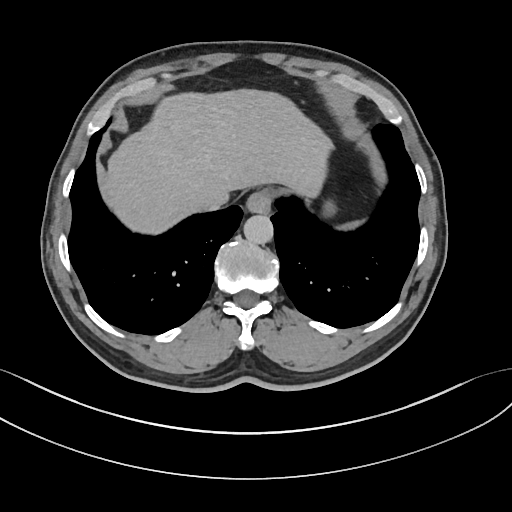
CT abdomen · Axial slice 193/224
<organs><organ name="spleen" x1="343" y1="221" x2="358" y2="228"/><organ name="esophagus" x1="246" y1="189" x2="272" y2="213"/><organ name="liver" x1="101" y1="89" x2="332" y2="234"/><organ name="aorta" x1="243" y1="214" x2="273" y2="244"/><organ name="inferior vena cava" x1="197" y1="188" x2="228" y2="210"/></organs>